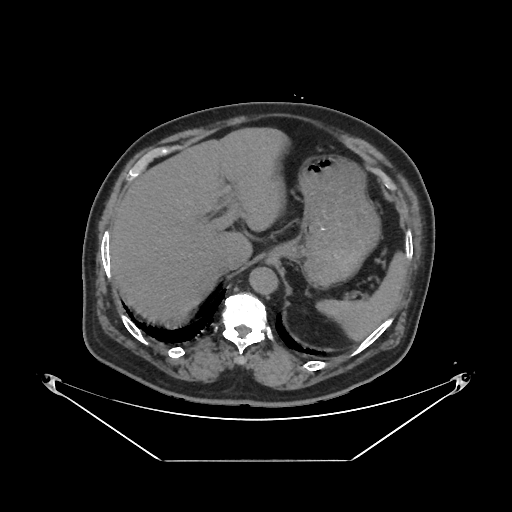
CT abdomen · axial view · soft-tissue window (W 400 / L 40) · 512x512 px · SOMATOM Force scanner · scan has 15 labeled organs (that count is for the whole scan; organs this slice misses have no box)
{"organs":{"spleen":[316,253,404,339],"stomach":[268,154,380,286],"inferior vena cava":[213,254,237,273],"liver":[109,127,286,321],"aorta":[248,266,276,292]}}